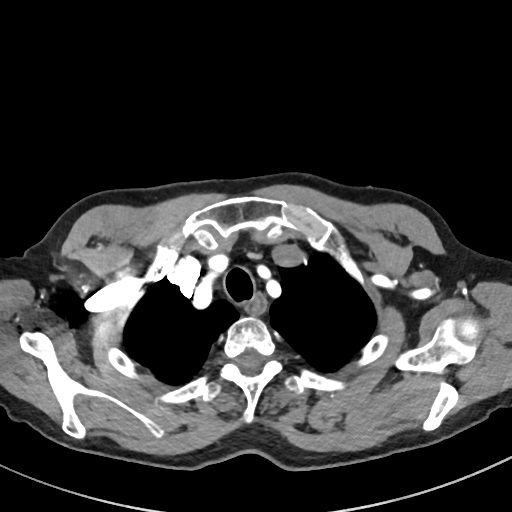

CT of the abdomen extending into the chest, slice through the chest · axial view · soft-tissue window
At this level of the chest this dataset labels only the esophagus and the aorta, and each is boxed only where it is labeled; the heart and lungs are never labeled. Coordinates as <box>x1,y1,x2,y2</box> in pixels. Labeled organs on this slice: esophagus at <box>246,295,265,313</box>.